CT, abdomen/pelvis; axial plane, index 40; 512x512 px; acquired on Aquilion ONE; scan has 14 labeled organs (a whole-scan count: organs this slice does not pass through have no box)
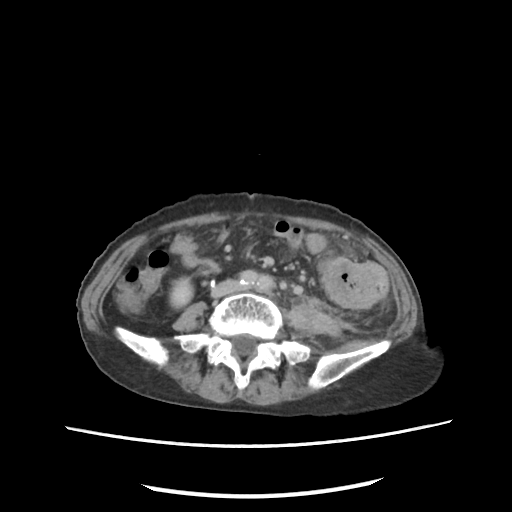

<organs><organ name="right kidney" x1="169" y1="278" x2="193" y2="308"/></organs>